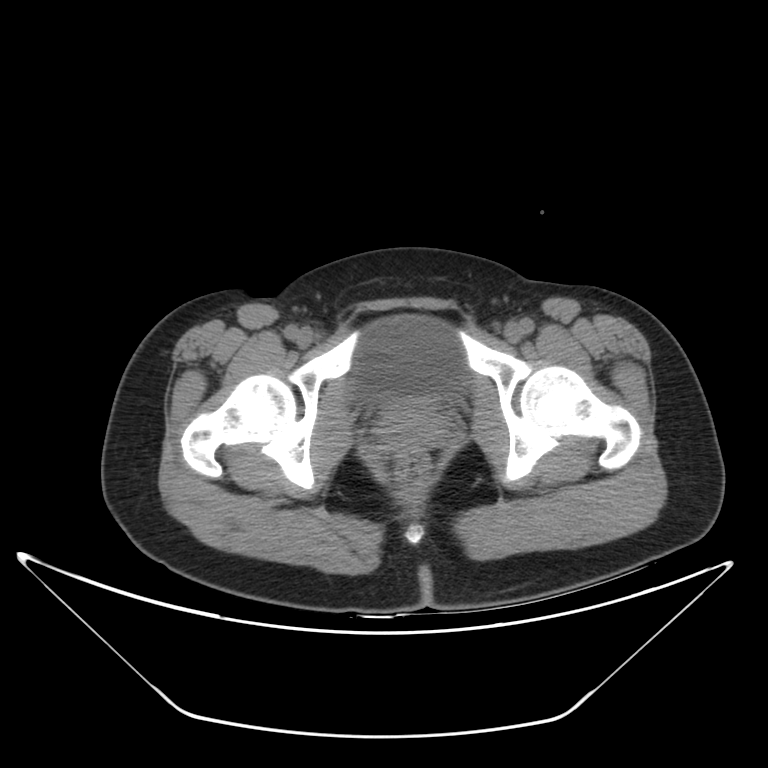 CT, abdomen/pelvis — axial view — Brilliance16 scanner
Bounding boxes in pixels, one row per box: x1, y1 is the top-left corner and x2, y2 the bottom-right.
| organ | x1 | y1 | x2 | y2 |
|---|---|---|---|---|
| bladder | 352 | 316 | 466 | 403 |